CT abdomen — Axial slice 125/192 — 512x512 px — acquired on SOMATOM Force
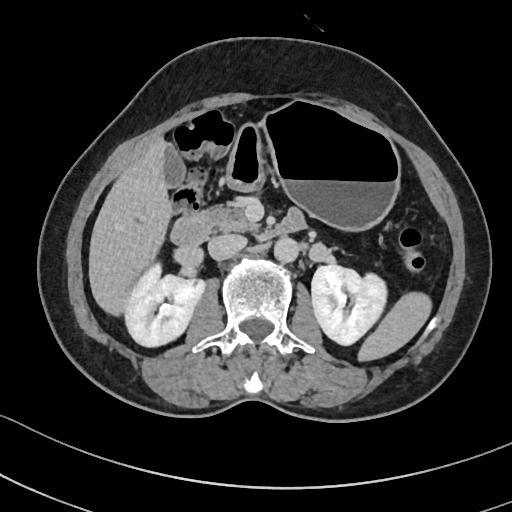 Bounding boxes as [x1, y1, x2, y2] in pixel coordinates.
spleen: [360, 294, 428, 359]
right kidney: [126, 262, 203, 346]
left kidney: [312, 265, 386, 345]
gall bladder: [162, 146, 183, 186]
liver: [89, 142, 171, 313]
stomach: [226, 101, 398, 227]
aorta: [273, 236, 299, 261]
inferior vena cava: [208, 234, 246, 259]
pancreas: [203, 206, 255, 231]
duodenum: [170, 209, 307, 246]